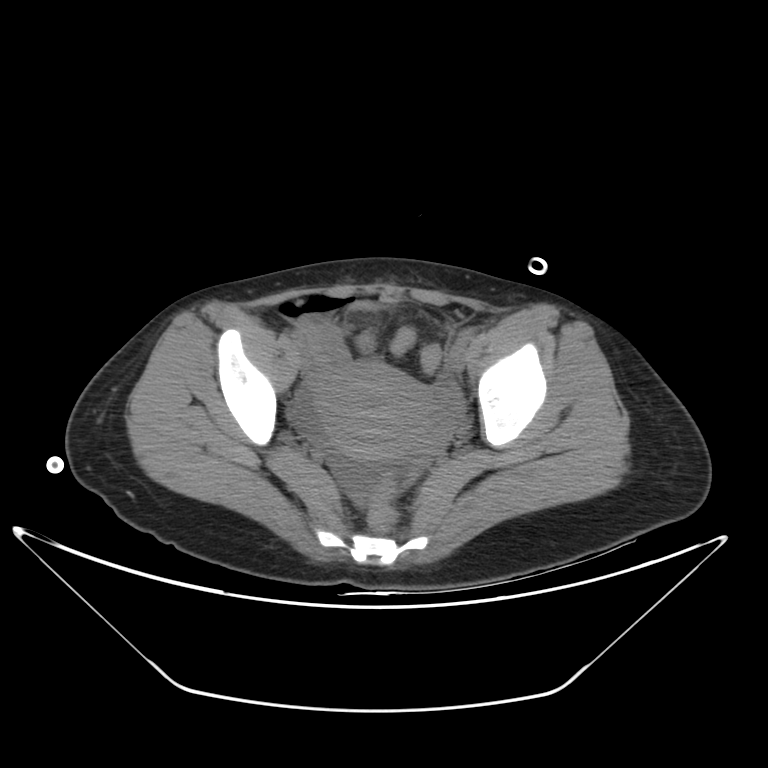

Abdominal CT. axial view. 768x768 px. scan has 14 labeled organs (counted over the whole 3D scan, not this slice; an organ is boxed only where this slice passes through it)
<organs><organ name="bladder" x1="352" y1="302" x2="380" y2="311"/><organ name="prostate/uterus" x1="316" y1="362" x2="437" y2="456"/></organs>